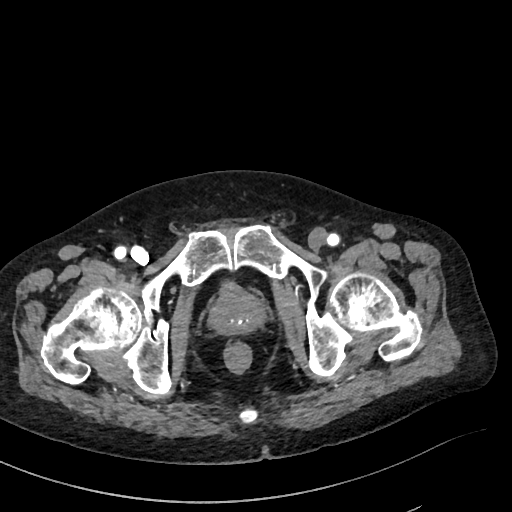
Abdominal CT. axial view. soft-tissue window (W 400 / L 40). scan has 15 labeled organs (that count is for the whole scan; organs this slice misses have no box)
<organs><organ name="prostate/uterus" x1="209" y1="288" x2="264" y2="334"/></organs>